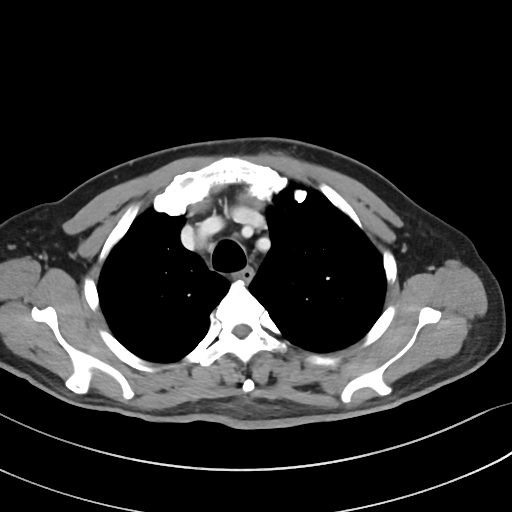

Abdominal CT reaching into the chest; this slice is in the chest; axial view; soft-tissue window; SOMATOM Force scanner; 15 organs annotated in this scan (counted over the whole 3D scan, not this slice; an organ is boxed only where this slice passes through it)
At this level of the chest no structure but the esophagus and the aorta has a label in this dataset, and those two are boxed only where they are labeled.
Boxes: x1 y1 x2 y2 (pixel coords, space-separated).
esophagus: 237 268 253 281